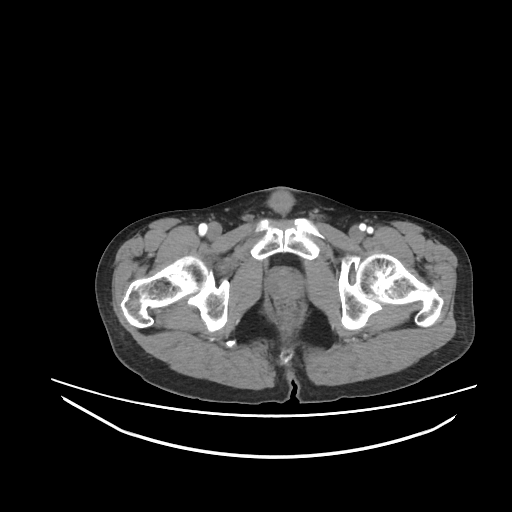 Computed tomography, abdomen · axial view · 52-year-old male patient · scan has 15 labeled organs (a whole-scan count: organs this slice does not pass through have no box)
Coordinates as <box>x1,y1,x2,y2</box> in pixels. Labeled organs on this slice: prostate/uterus at <box>266,269,302,298</box>.